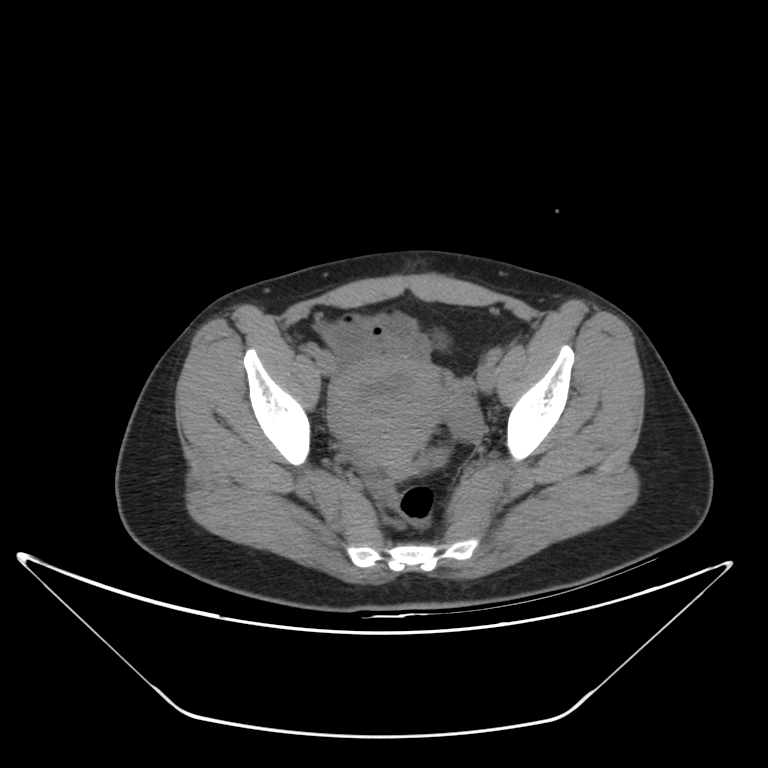
CT abdomen — axial view — soft-tissue window — 768x768 px — 15 organs annotated in this scan (counted over the whole 3D scan, not this slice; an organ is boxed only where this slice passes through it)
{"organs":{"prostate/uterus":[328,357,445,469]}}